CT, abdomen/pelvis — axial view — 37-year-old female patient — 15 organs annotated in this scan (that count is for the whole scan; organs this slice misses have no box)
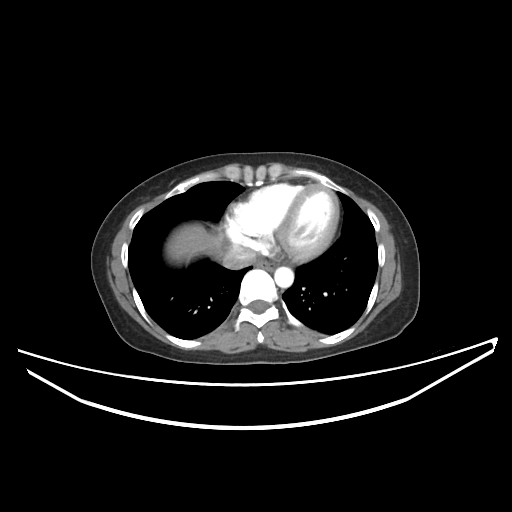

Organ boxes in pixel coordinates; each row gives the top-left (x1, y1) and bottom-right (x2, y2) corners.
| organ | x1 | y1 | x2 | y2 |
|---|---|---|---|---|
| esophagus | 257 | 260 | 274 | 270 |
| liver | 165 | 223 | 224 | 263 |
| aorta | 274 | 267 | 293 | 287 |
| inferior vena cava | 222 | 245 | 256 | 269 |